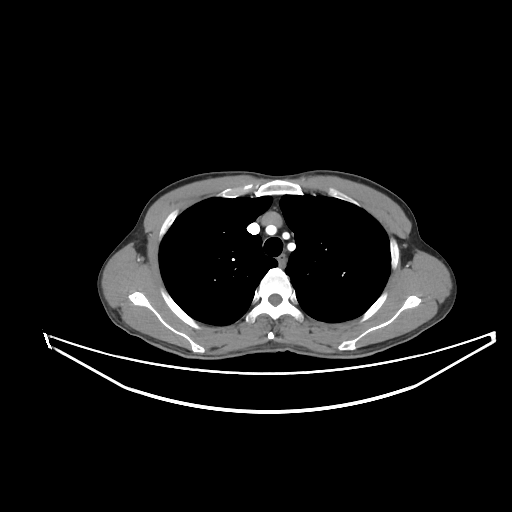

Chest-level CT slice, above the liver and spleen; axial view; 512x512 px; Aquilion ONE scanner
At this level of the chest this dataset labels only the esophagus and the aorta, and each is boxed only where it is labeled; the heart and lungs are never labeled. Box edges are left/top/right/bottom in pixels. Labeled organs on this slice: esophagus at left=279, top=253, right=285, bottom=268.